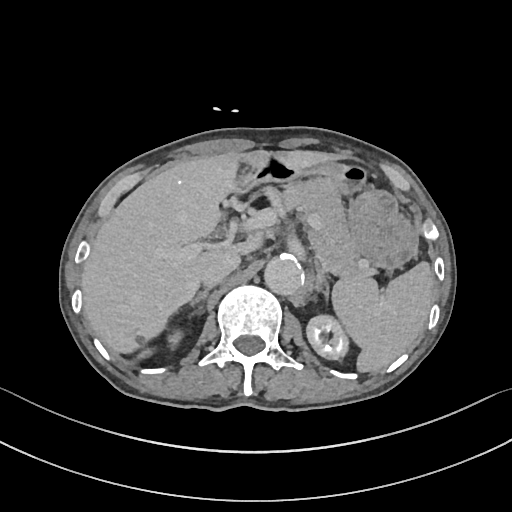

CT abdomen — axial view — 512x512 px
Boxes: x1:y1:x2:y2 in pixels.
spleen: 331:262:433:372
right kidney: 167:332:180:345
left kidney: 307:315:348:359
liver: 80:149:337:354
stomach: 235:160:418:271
aorta: 264:255:304:295
inferior vena cava: 201:252:239:287
pancreas: 280:178:358:276
right adrenal gland: 189:289:210:310
left adrenal gland: 315:270:328:302